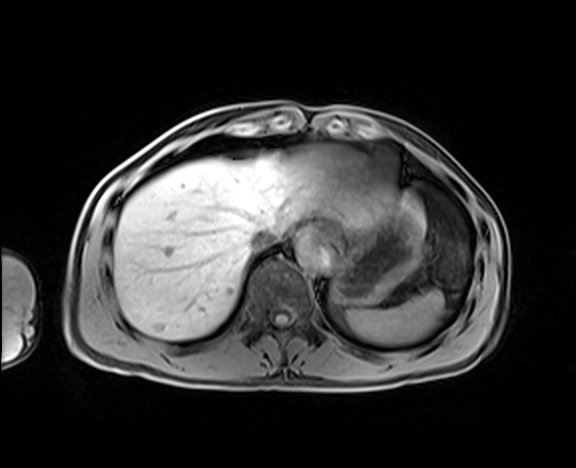
Abdominal MR; axial plane, index 51; scan has 13 labeled organs (that count is for the whole scan; organs this slice misses have no box)
Boxes: x1:y1:x2:y2 in pixels.
spleen: 346:290:444:344
esophagus: 300:227:316:238
liver: 114:155:428:339
stomach: 332:208:422:305
aorta: 296:236:330:269
inferior vena cava: 250:227:282:250